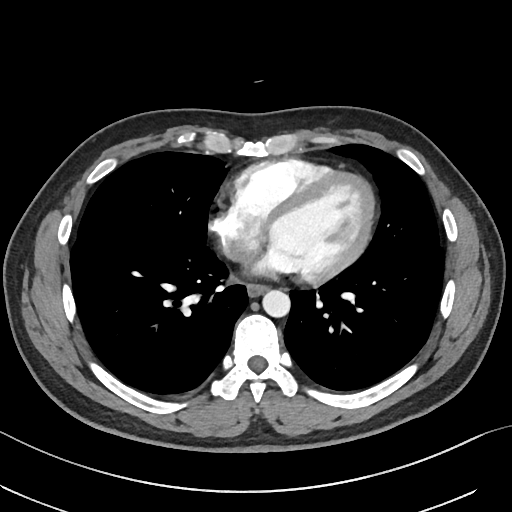

Lower-chest slice from an abdominal CT, just above the liver and spleen — axial plane, index 217 — 512x512 px
No part of the heart or lungs is labeled in this dataset, so neither has a box here.
Boxes are (x1, y1, x2, y2) in pixels.
Organ bounding boxes:
- esophagus: (246, 285, 267, 297)
- aorta: (263, 290, 290, 317)